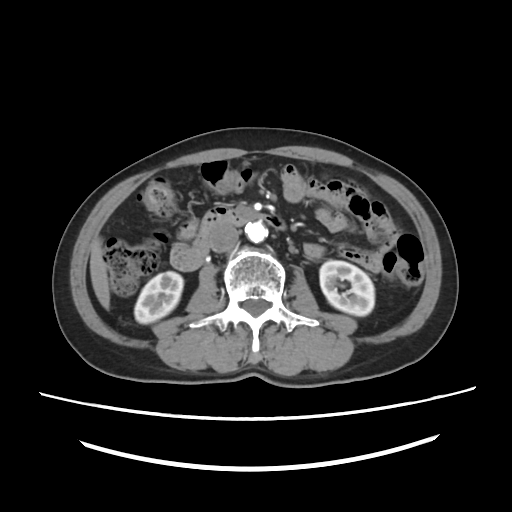
Abdominal CT. axial view. W/L 400/40 HU. 512x512 px. scan has 15 labeled organs (a whole-scan count: organs this slice does not pass through have no box)
Bounding boxes in pixels, one row per box: x1, y1 is the top-left corner and x2, y2 the bottom-right.
| organ | x1 | y1 | x2 | y2 |
|---|---|---|---|---|
| right kidney | 134 | 271 | 183 | 323 |
| left kidney | 319 | 260 | 374 | 316 |
| liver | 90 | 238 | 109 | 309 |
| aorta | 245 | 222 | 267 | 242 |
| inferior vena cava | 209 | 224 | 238 | 252 |
| duodenum | 170 | 206 | 285 | 270 |